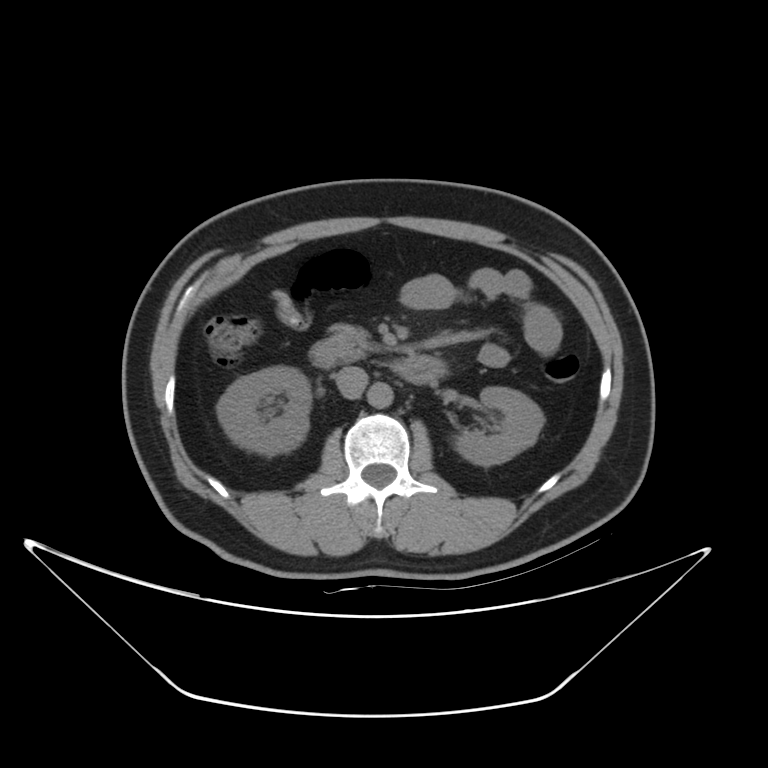
Computed tomography, abdomen. axial view
One row per box, in pixels: columns x1 and y1 give the top-left corner, x2 and y2 the bottom-right.
| organ | x1 | y1 | x2 | y2 |
|---|---|---|---|---|
| right kidney | 216 | 366 | 311 | 454 |
| left kidney | 454 | 387 | 544 | 465 |
| aorta | 367 | 383 | 392 | 407 |
| inferior vena cava | 335 | 366 | 368 | 398 |
| pancreas | 325 | 323 | 379 | 360 |
| duodenum | 309 | 341 | 446 | 384 |